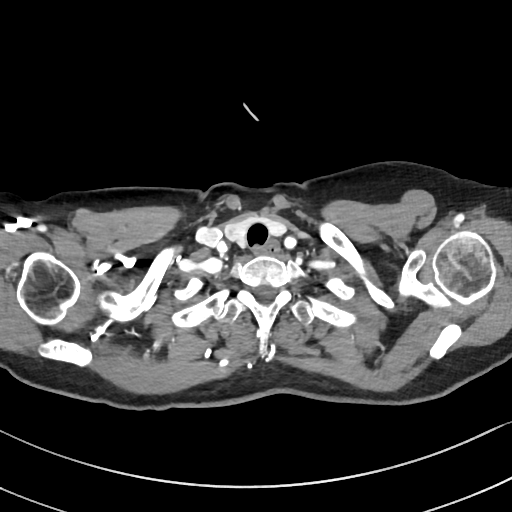
CT of the abdomen extending into the chest, slice through the chest · axial view · 512x512 px
At this level of the chest this dataset labels only the esophagus and the aorta, and each is boxed only where it is labeled; the heart and lungs are never labeled.
Bounding boxes as [x1, y1, x2, y2] in pixel coordinates.
Organ bounding boxes:
- esophagus: [253, 239, 278, 256]